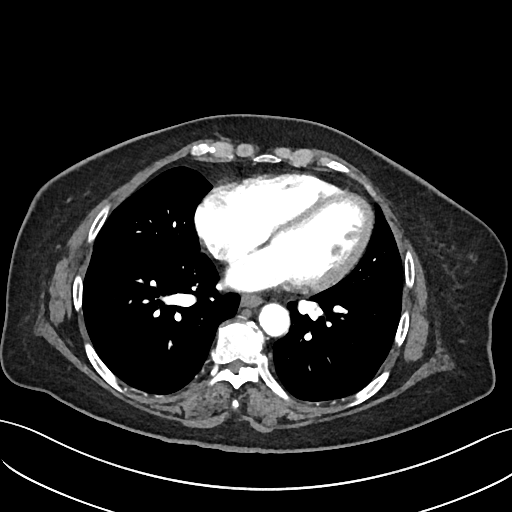

Abdominal CT; this slice is in the lower chest, just above the liver — axial view
The heart and lungs are never labeled in this dataset, so they have no box on this slice.
Bounding boxes in pixels, one row per box: x1, y1 is the top-left corner and x2, y2 the bottom-right.
| organ | x1 | y1 | x2 | y2 |
|---|---|---|---|---|
| esophagus | 241 | 293 | 261 | 306 |
| aorta | 258 | 302 | 289 | 335 |